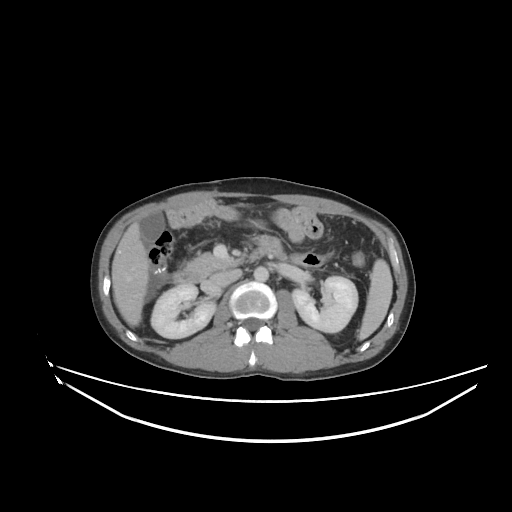 CT, abdomen/pelvis. axial view. 512x512 px
<organs><organ name="spleen" x1="358" y1="259" x2="392" y2="340"/><organ name="right kidney" x1="150" y1="284" x2="215" y2="338"/><organ name="left kidney" x1="292" y1="276" x2="358" y2="332"/><organ name="gall bladder" x1="140" y1="212" x2="164" y2="244"/><organ name="liver" x1="111" y1="221" x2="149" y2="326"/><organ name="aorta" x1="253" y1="266" x2="268" y2="281"/><organ name="inferior vena cava" x1="210" y1="269" x2="242" y2="286"/><organ name="pancreas" x1="186" y1="252" x2="239" y2="276"/><organ name="duodenum" x1="173" y1="251" x2="262" y2="283"/></organs>